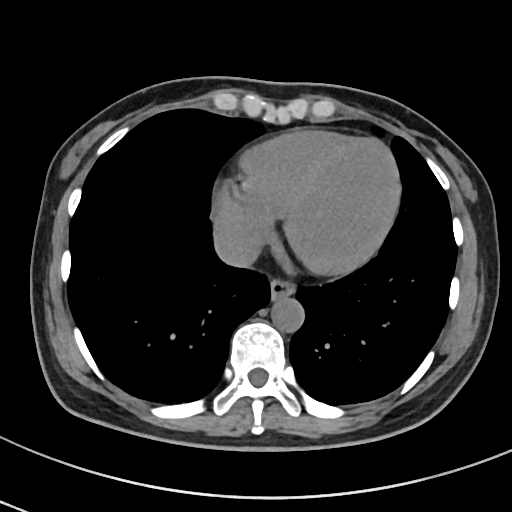
CT of the abdomen reaching into the lower chest, slice just above the liver and spleen · axial view · soft-tissue window
The heart and lungs are never labeled in this dataset, so they have no box on this slice.
{"organs":{"esophagus":[270,282,294,298],"aorta":[271,296,303,331],"inferior vena cava":[213,229,260,267]}}